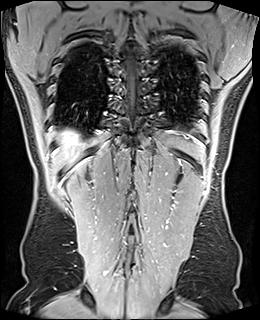
Magnetic resonance imaging, abdomen; coronal view; 260x320 px; 13 organs annotated in this scan (counted over the whole 3D scan, not this slice; an organ is boxed only where this slice passes through it)
Box edges are left/top/right/bottom in pixels.
liver: left=61, top=131, right=78, bottom=163